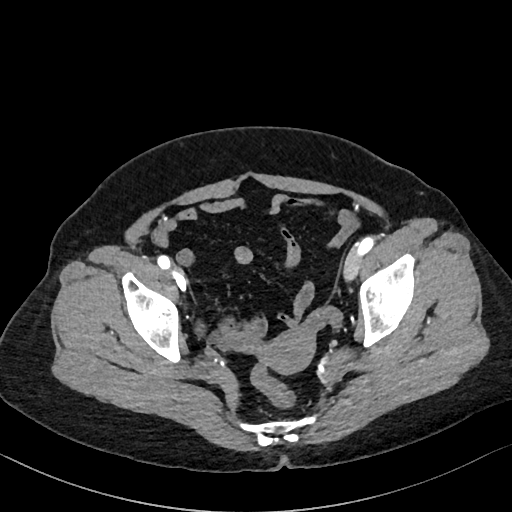 CT, abdomen/pelvis; axial plane, index 44
{"organs":{"prostate/uterus":[261,328,314,373]}}